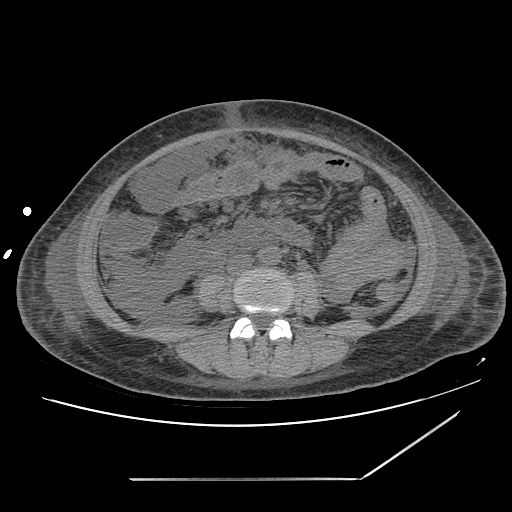
CT abdomen; Axial slice 83/191; acquired on SOMATOM Force
Organ boxes in pixel coordinates; each row gives the top-left (x1, y1) and bottom-right (x2, y2) corners.
| organ | x1 | y1 | x2 | y2 |
|---|---|---|---|---|
| inferior vena cava | 227 | 254 | 253 | 274 |
| aorta | 258 | 247 | 280 | 264 |